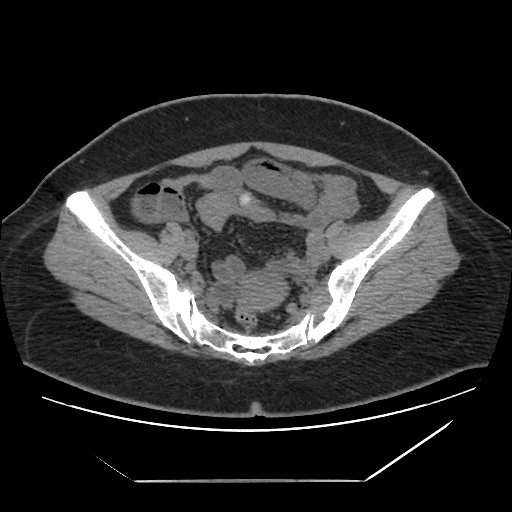
CT abdomen. axial view. soft-tissue window (W 400 / L 40). 512x512 px. SOMATOM Force scanner
Boxes are (x1, y1, x2, y2) in pixels.
prostate/uterus: (236, 274, 283, 309)